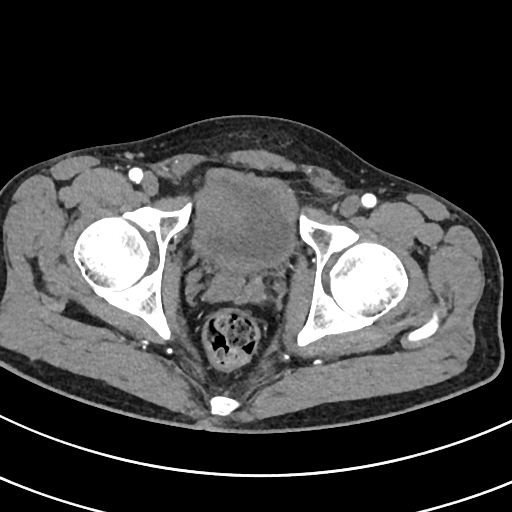
CT, abdomen/pelvis — Axial slice 25/302 — W/L 400/40 HU — 512x512 px — scan has 15 labeled organs (counted over the whole 3D scan, not this slice; an organ is boxed only where this slice passes through it)
Boxes: x1:y1:x2:y2 in pixels.
Organ bounding boxes:
- bladder: 195:169:297:265
- prostate/uterus: 221:260:256:278